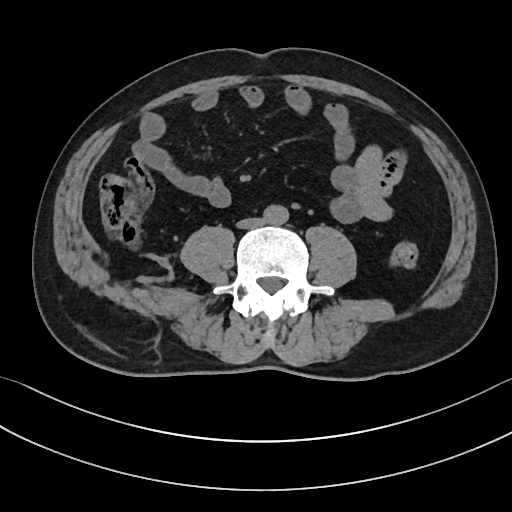
Abdominal CT; axial plane, index 103; soft-tissue window (W 400 / L 40); scan has 15 labeled organs (a whole-scan count: organs this slice does not pass through have no box)
Boxes: x1:y1:x2:y2 in pixels.
aorta: 264:204:288:225
inferior vena cava: 237:218:263:228